Abdominal CT. Axial slice 142/222. acquired on SOMATOM Force
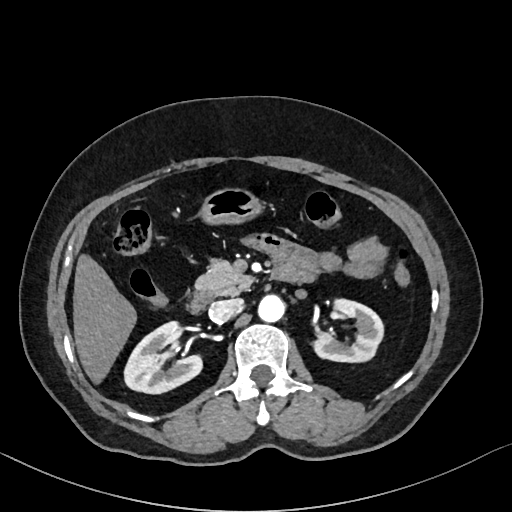 Box edges are left/top/right/bottom in pixels. Labeled organs on this slice: aorta at left=259, top=293, right=284, bottom=321, pancreas at left=196, top=259, right=252, bottom=295, stomach at left=201, top=188, right=260, bottom=222, duodenum at left=188, top=291, right=211, bottom=312, right kidney at left=124, top=320, right=201, bottom=393, left kidney at left=315, top=297, right=384, bottom=362, liver at left=73, top=255, right=136, bottom=380, inferior vena cava at left=209, top=298, right=242, bottom=321.